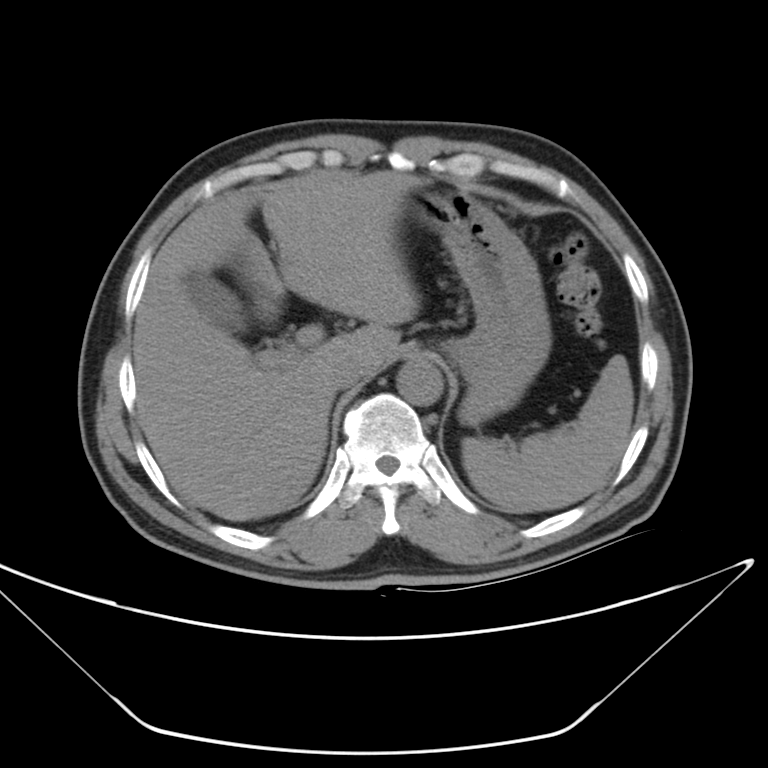
CT, abdomen/pelvis. axial view. W/L 400/40 HU
<organs><organ name="spleen" x1="463" y1="354" x2="632" y2="512"/><organ name="gall bladder" x1="190" y1="271" x2="246" y2="330"/><organ name="liver" x1="133" y1="172" x2="433" y2="520"/><organ name="stomach" x1="408" y1="183" x2="550" y2="427"/><organ name="aorta" x1="397" y1="362" x2="442" y2="404"/><organ name="inferior vena cava" x1="329" y1="359" x2="366" y2="390"/></organs>